CT of the abdomen extending into the chest, slice through the chest — axial view — 65-year-old male patient — 15 organs annotated in this scan (counted over the whole 3D scan, not this slice; an organ is boxed only where this slice passes through it)
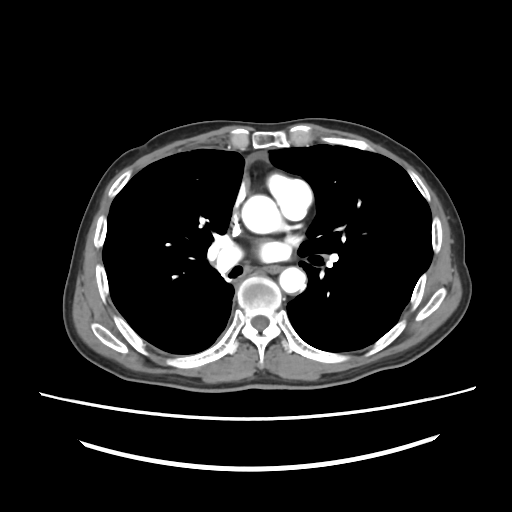
On a slice this high in the chest, this dataset labels only the esophagus and the aorta, and each is boxed only where it is labeled; the heart, lungs and other chest structures are not labeled.
Coordinates as <box>x1,y1,x2,y2</box> in pixels.
Organ bounding boxes:
- esophagus: <box>265,266,279,272</box>
- aorta: <box>241,195,282,233</box>
- aorta: <box>279,267,307,296</box>